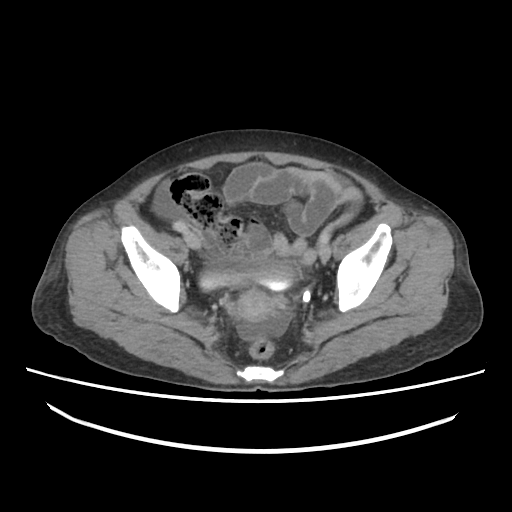 CT, abdomen/pelvis. axial view. abdomen soft-tissue window
{"organs":{"bladder":[197,257,297,291],"prostate/uterus":[239,292,269,321]}}